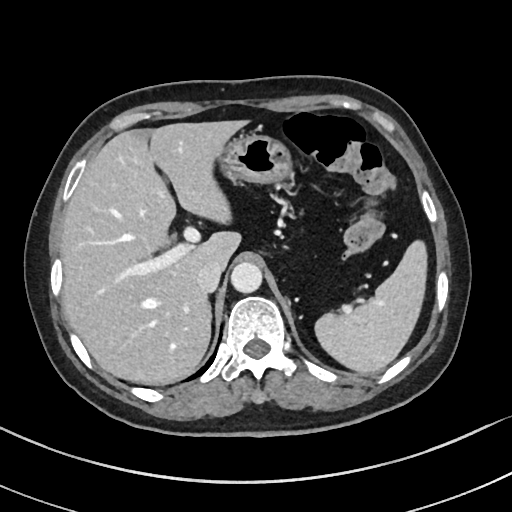
Abdominal CT. axial plane, index 190. abdomen soft-tissue window. 512x512 px. acquired on SOMATOM Force
Coordinates as <box>x1,y1,x2,y2</box> in pixels. 5 labeled organs on this slice — spleen at <box>314,240,427,374</box>; liver at <box>60,119,248,384</box>; stomach at <box>218,132,292,184</box>; aorta at <box>231,262,262,293</box>; inferior vena cava at <box>197,261,223,292</box>.